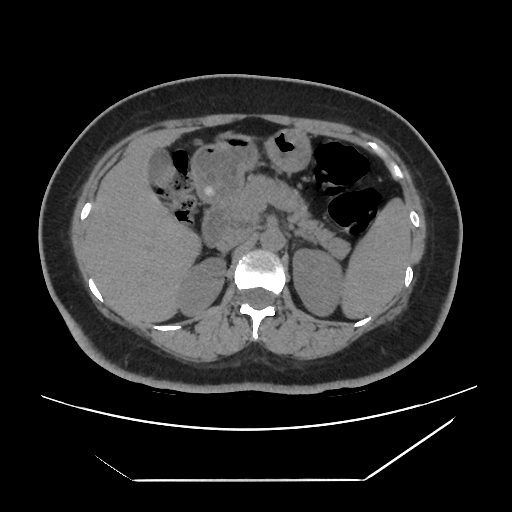
CT abdomen · axial view · W/L 400/40 HU · 512x512 px
<organs><organ name="spleen" x1="340" y1="196" x2="411" y2="319"/><organ name="right kidney" x1="179" y1="258" x2="225" y2="315"/><organ name="left kidney" x1="293" y1="249" x2="342" y2="315"/><organ name="gall bladder" x1="149" y1="149" x2="174" y2="188"/><organ name="liver" x1="83" y1="131" x2="203" y2="323"/><organ name="stomach" x1="190" y1="129" x2="312" y2="203"/><organ name="aorta" x1="260" y1="228" x2="284" y2="251"/><organ name="inferior vena cava" x1="215" y1="229" x2="250" y2="251"/><organ name="pancreas" x1="229" y1="174" x2="349" y2="258"/><organ name="right adrenal gland" x1="218" y1="252" x2="225" y2="255"/><organ name="left adrenal gland" x1="294" y1="231" x2="315" y2="245"/><organ name="duodenum" x1="202" y1="204" x2="230" y2="244"/></organs>